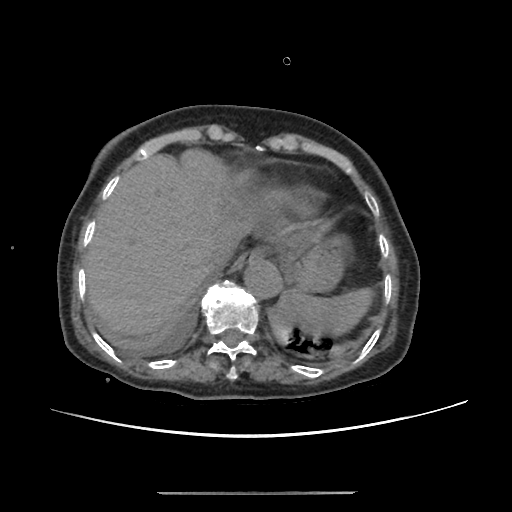
CT, abdomen/pelvis — Axial slice 301/353 — soft-tissue window (W 400 / L 40) — 512x512 px
Coordinates as <box>x1,y1,x2,y2</box> in pixels. Labeled organs on this slice: spleen at <box>279,286,370,336</box>, esophagus at <box>233,247,264,269</box>, liver at <box>85,148,290,335</box>, stomach at <box>283,235,343,292</box>, aorta at <box>242,258,281,297</box>, inferior vena cava at <box>205,240,234,272</box>.